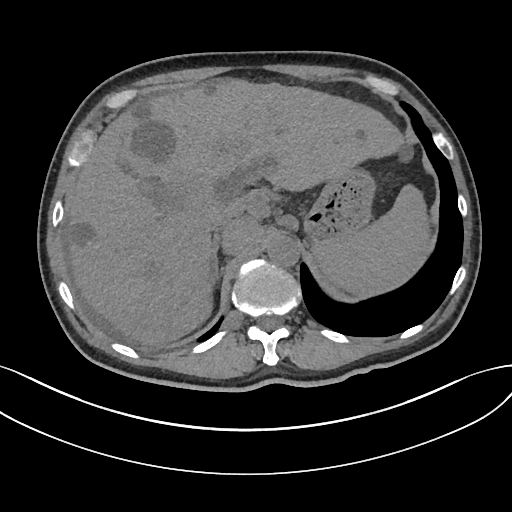
Abdominal CT; Axial slice 168/213
Each box given as x1,y1,x2,y2. Labeled organs on this slice: spleen at x1=312, y1=182, x2=432, y2=298, liver at x1=64, y1=78, x2=404, y2=345, stomach at x1=305, y1=166, x2=374, y2=243, aorta at x1=267, y1=235, x2=299, y2=266, inferior vena cava at x1=209, y1=205, x2=237, y2=232, right adrenal gland at x1=212, y1=241, x2=219, y2=286.